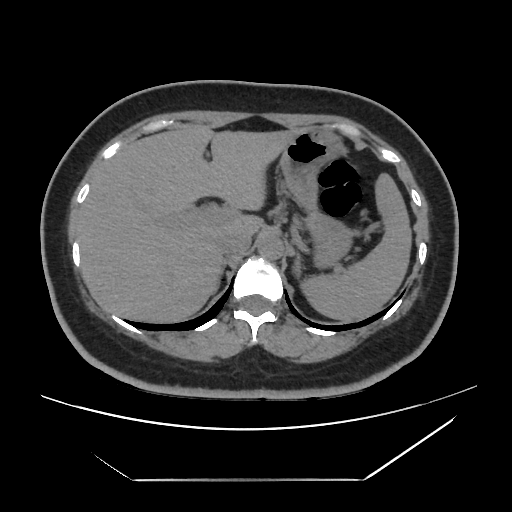
CT, abdomen/pelvis. Axial slice 259/345. 512x512 px. acquired on SOMATOM Force
One row per box, in pixels: columns x1 and y1 give the top-left corner, x2 and y2 the bottom-right.
| organ | x1 | y1 | x2 | y2 |
|---|---|---|---|---|
| spleen | 301 | 173 | 411 | 321 |
| liver | 77 | 128 | 296 | 322 |
| stomach | 280 | 127 | 352 | 267 |
| aorta | 257 | 234 | 283 | 260 |
| inferior vena cava | 218 | 231 | 251 | 254 |
| right adrenal gland | 221 | 259 | 227 | 275 |
| left adrenal gland | 293 | 253 | 300 | 276 |